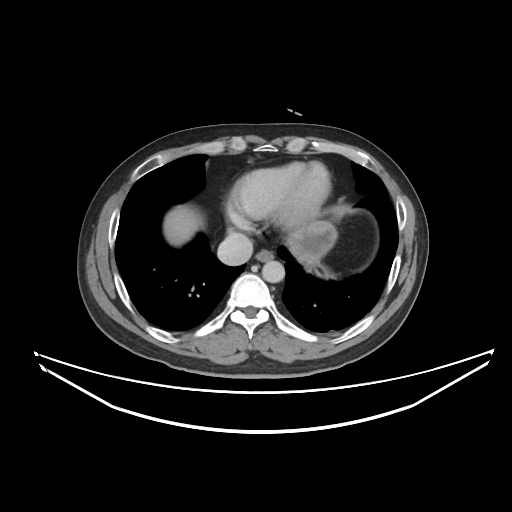

Computed tomography, abdomen · Axial slice 89/131 · 15 organs annotated in this scan (that count is for the whole scan; organs this slice misses have no box)
Box edges are left/top/right/bottom in pixels.
liver: left=164, top=205, right=336, bottom=264
aorta: left=262, top=260, right=284, bottom=282
esophagus: left=256, top=249, right=273, bottom=261
stomach: left=315, top=261, right=319, bottom=264
inferior vena cava: left=217, top=233, right=252, bottom=265